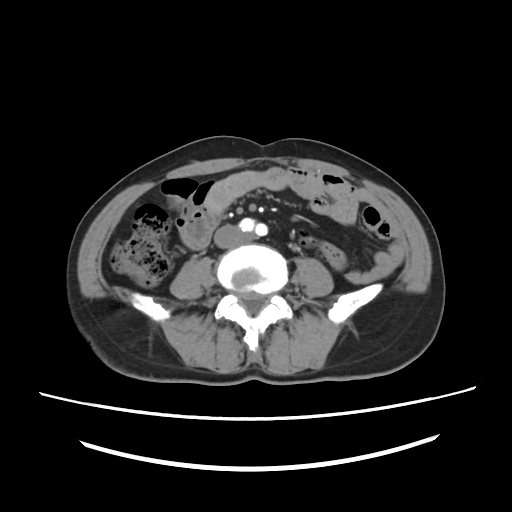

CT abdomen; Axial slice 47/134; acquired on Aquilion ONE; 15 organs annotated in this scan (a whole-scan count: organs this slice does not pass through have no box)
{"organs":{"inferior vena cava":[214,225,245,248]}}